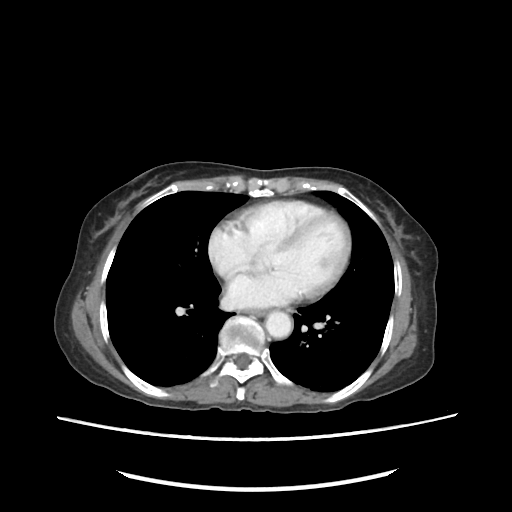

Abdominal CT; this slice is in the lower chest, just above the liver · axial plane, index 89 · soft-tissue window · 512x512 px · 73-year-old female patient · scan has 15 labeled organs (that count is for the whole scan; organs this slice misses have no box)
No part of the heart or lungs is labeled in this dataset, so neither has a box here.
Organ boxes in pixel coordinates; each row gives the top-left (x1, y1) and bottom-right (x2, y2) corners.
| organ | x1 | y1 | x2 | y2 |
|---|---|---|---|---|
| esophagus | 245 | 311 | 265 | 316 |
| aorta | 266 | 311 | 292 | 339 |